CT, abdomen/pelvis — axial plane, index 49 — W/L 400/40 HU — 512x512 px
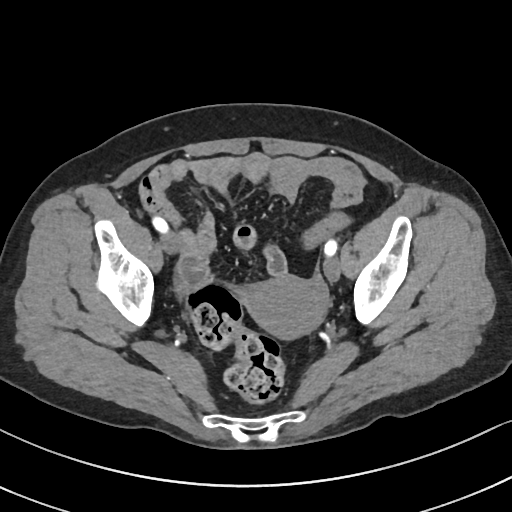

Box edges are left/top/right/bottom in pixels.
prostate/uterus: left=245, top=276, right=327, bottom=340